Computed tomography, abdomen · Axial slice 23/121 · W/L 400/40 HU · 512x512 px · SOMATOM Force scanner · scan has 15 labeled organs (that count is for the whole scan; organs this slice misses have no box)
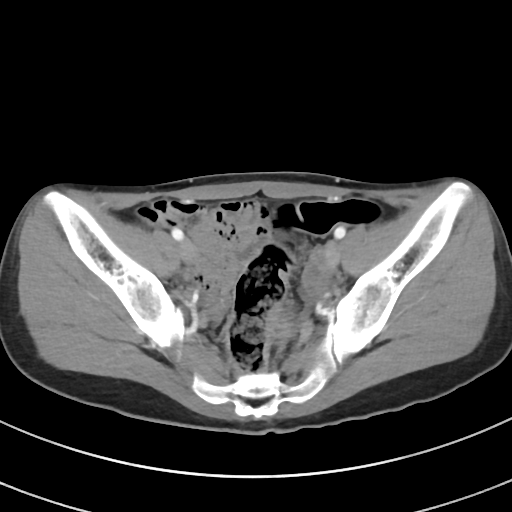 {"organs":{"prostate/uterus":[270,316,287,334]}}